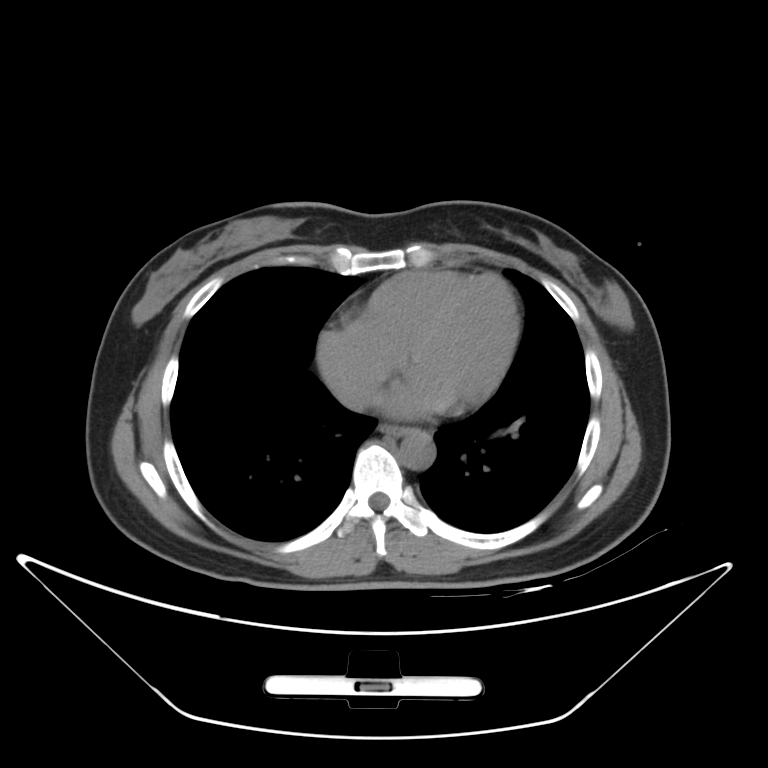
CT of the abdomen reaching into the lower chest, slice just above the liver and spleen. axial view. soft-tissue window, W/L 400/40
Of the structures in the chest, this dataset labels only the esophagus, the aorta and the inferior vena cava; the heart and lungs have no label.
Coordinates as <box>x1,y1,x2,y2</box> in pixels.
esophagus: <box>380,424,407,435</box>
aorta: <box>399,430,435,469</box>
inferior vena cava: <box>337,377,379,410</box>